CT, abdomen/pelvis. axial view. soft-tissue window. 768x768 px
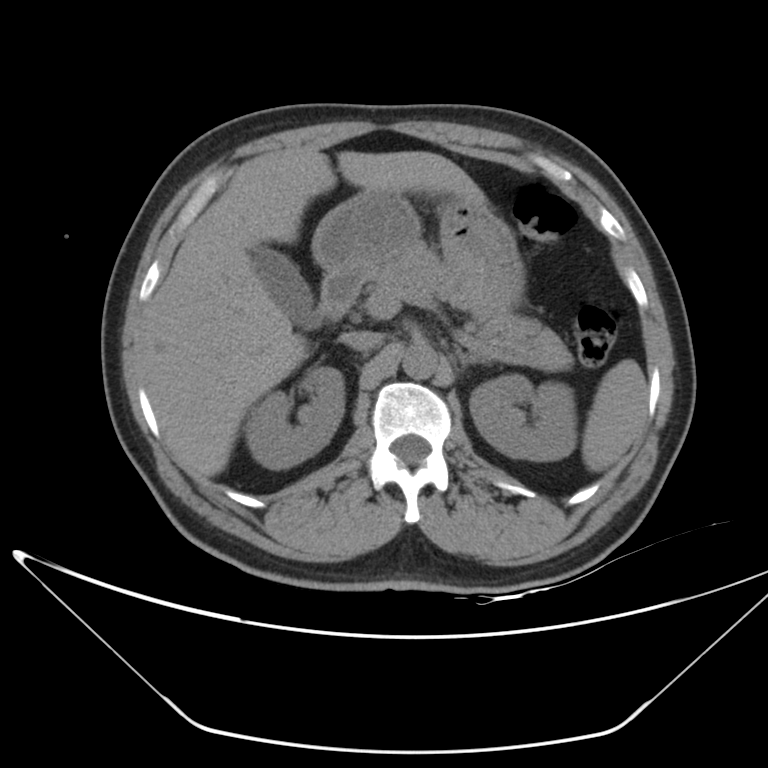
Bounding boxes as [x1, y1, x2, y2] in pixel coordinates. Labeled organs on this slice: spleen at [581, 359, 648, 472], right kidney at [245, 366, 343, 469], left kidney at [470, 375, 576, 460], gall bladder at [249, 245, 316, 328], liver at [144, 150, 487, 478], stomach at [311, 188, 525, 309], aorta at [402, 344, 438, 379], inferior vena cava at [341, 331, 382, 350], pancreas at [366, 242, 573, 370], left adrenal gland at [455, 347, 490, 367], duodenum at [316, 270, 365, 325].